Computed tomography, abdomen · Axial slice 59/124 · soft-tissue window (W 400 / L 40) · Aquilion ONE scanner
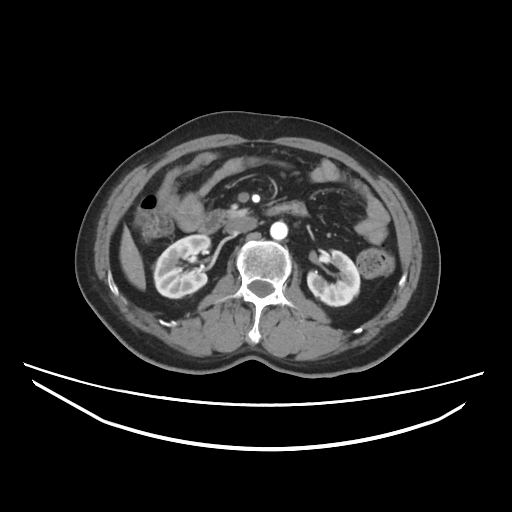
Bounding boxes in pixels, one row per box: x1, y1 is the top-left corner and x2, y2 the bottom-right.
| organ | x1 | y1 | x2 | y2 |
|---|---|---|---|---|
| right kidney | 154 | 234 | 210 | 298 |
| left kidney | 307 | 250 | 360 | 306 |
| liver | 120 | 227 | 145 | 289 |
| aorta | 270 | 221 | 287 | 239 |
| inferior vena cava | 225 | 216 | 256 | 234 |
| pancreas | 226 | 209 | 247 | 218 |
| duodenum | 199 | 202 | 307 | 233 |